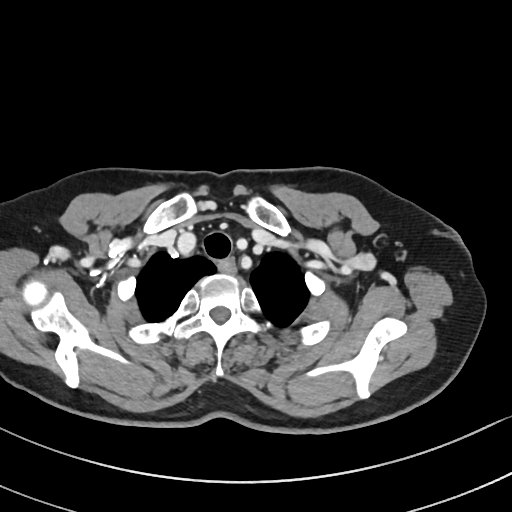

Chest-level CT slice, above the liver and spleen · Axial slice 300/314 · 512x512 px
At this level of the chest no structure but the esophagus and the aorta has a label in this dataset, and those two are boxed only where they are labeled.
Organ boxes in pixel coordinates; each row gives the top-left (x1, y1) and bottom-right (x2, y2) corners.
| organ | x1 | y1 | x2 | y2 |
|---|---|---|---|---|
| esophagus | 217 | 258 | 235 | 272 |